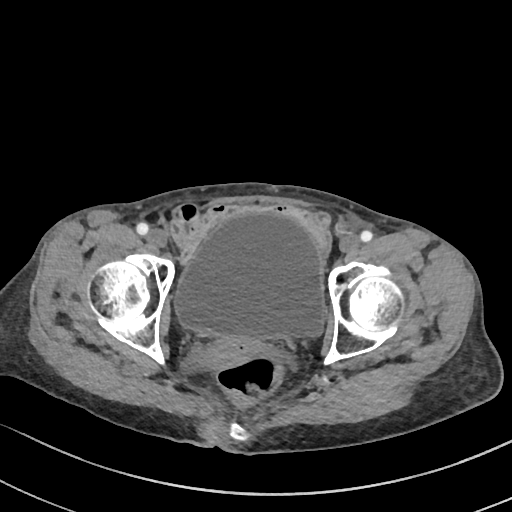 Abdominal CT — axial plane, index 60 — soft-tissue window (W 400 / L 40)
Each box given as x1,y1,x2,y2.
Organ bounding boxes:
- bladder: x1=175, y1=211, x2=324, y2=340
- prostate/uterus: x1=197, y1=335, x2=258, y2=371